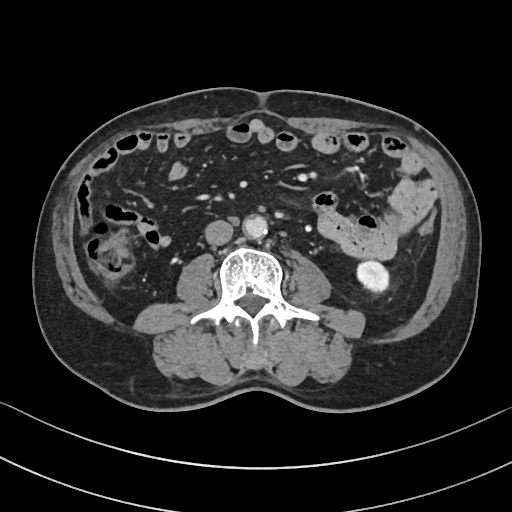 Computed tomography, abdomen · axial plane, index 126
{"organs":{"left kidney":[357,261,388,292],"aorta":[243,215,267,238],"inferior vena cava":[205,220,233,245]}}